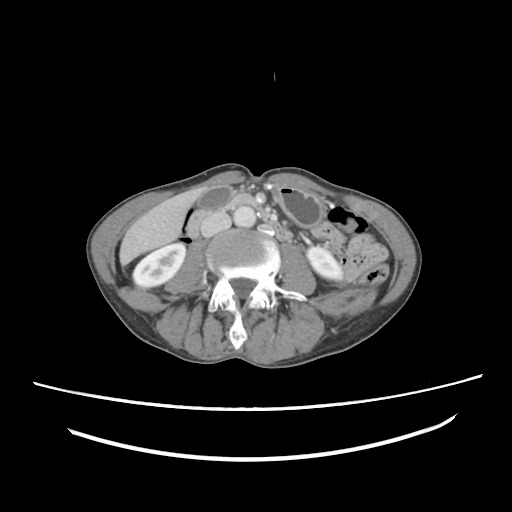
CT, abdomen/pelvis — axial view — soft-tissue window (W 400 / L 40) — 59-year-old male patient
<organs><organ name="right kidney" x1="133" y1="243" x2="185" y2="287"/><organ name="left kidney" x1="307" y1="247" x2="342" y2="279"/><organ name="gall bladder" x1="198" y1="186" x2="231" y2="208"/><organ name="liver" x1="119" y1="187" x2="206" y2="265"/><organ name="stomach" x1="276" y1="186" x2="325" y2="226"/><organ name="aorta" x1="233" y1="206" x2="256" y2="227"/><organ name="inferior vena cava" x1="200" y1="212" x2="231" y2="237"/><organ name="pancreas" x1="220" y1="192" x2="255" y2="209"/><organ name="duodenum" x1="187" y1="202" x2="293" y2="240"/></organs>